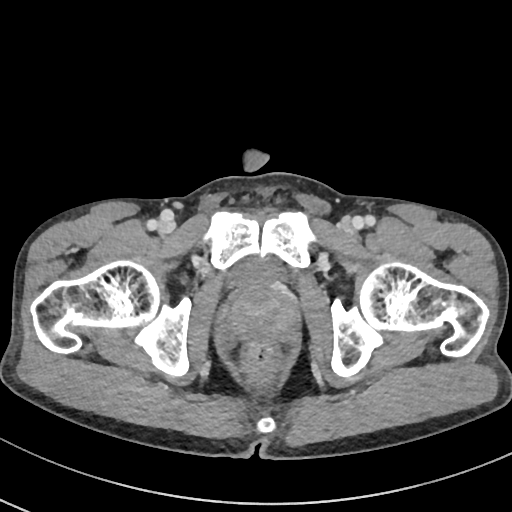 CT abdomen — Axial slice 33/306 — 512x512 px
<organs><organ name="bladder" x1="234" y1="260" x2="284" y2="282"/><organ name="prostate/uterus" x1="228" y1="283" x2="295" y2="337"/></organs>